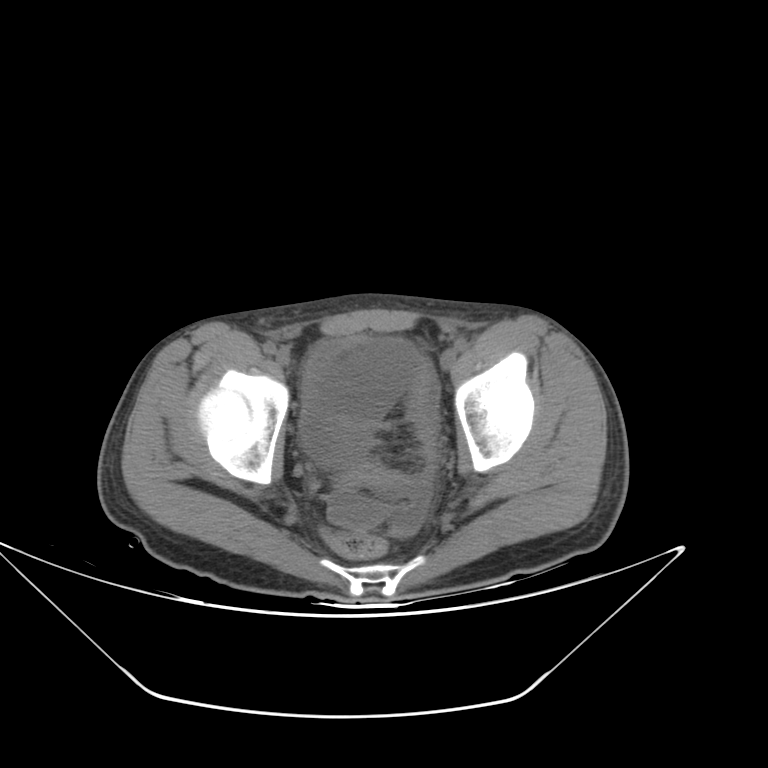 CT, abdomen/pelvis — axial view
<organs><organ name="bladder" x1="300" y1="350" x2="356" y2="468"/></organs>